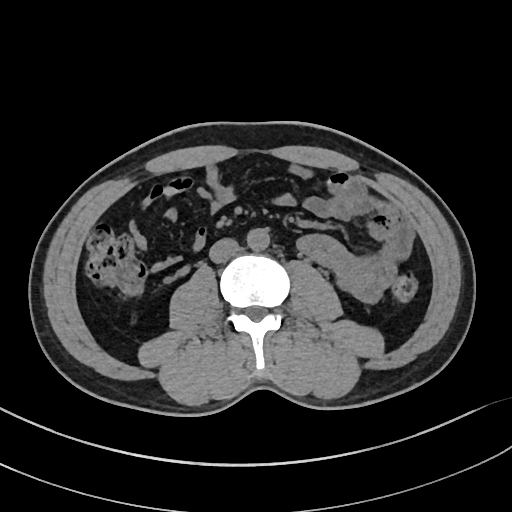

Abdominal CT. axial view. soft-tissue window (W 400 / L 40). 512x512 px
Bounding boxes in pixels, one row per box: x1, y1 is the top-left corner and x2, y2 the bottom-right.
| organ | x1 | y1 | x2 | y2 |
|---|---|---|---|---|
| aorta | 247 | 228 | 269 | 250 |
| inferior vena cava | 209 | 238 | 239 | 263 |